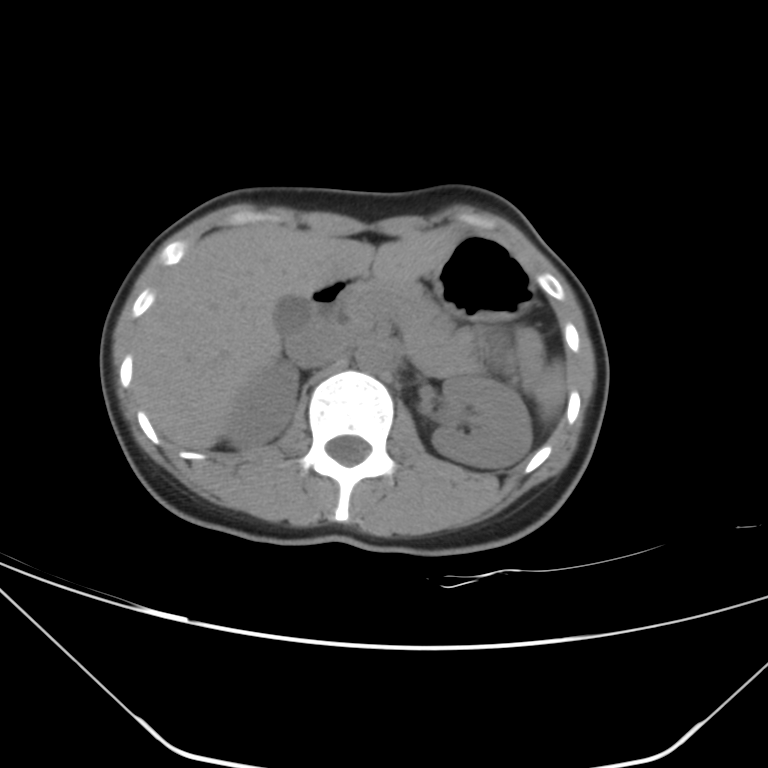

Abdominal CT; axial view; 768x768 px; acquired on Brilliance16; 15 organs annotated in this scan (a whole-scan count: organs this slice does not pass through have no box)
{"organs":{"liver":[135,224,453,449],"duodenum":[309,280,356,327],"gall bladder":[274,295,311,336],"left kidney":[431,375,531,468],"right kidney":[226,362,298,448],"stomach":[433,233,536,320],"aorta":[356,342,389,372],"pancreas":[340,280,477,368],"inferior vena cava":[286,326,353,368],"spleen":[537,362,567,418]}}